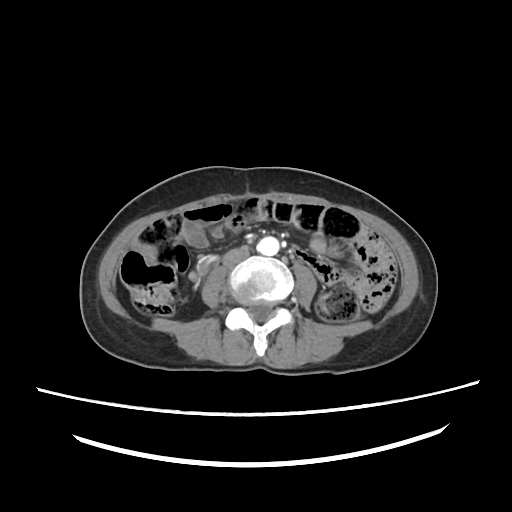
Computed tomography, abdomen. Axial slice 41/82
{"organs":{"aorta":[257,236,279,256],"inferior vena cava":[222,250,247,266]}}